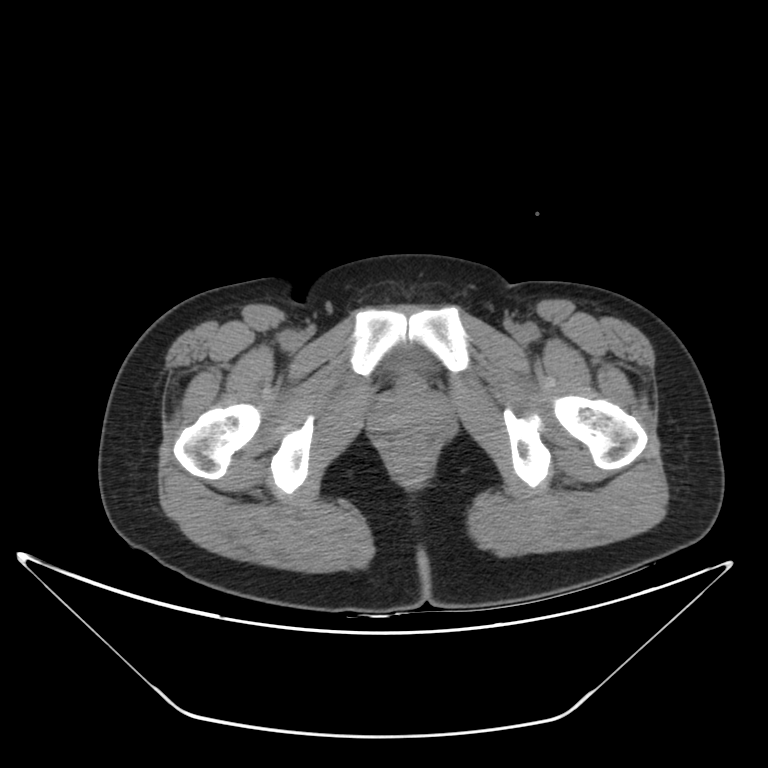
CT abdomen. axial plane, index 13. soft-tissue window. 39-year-old female patient
Boxes: x1:y1:x2:y2 in pixels.
Organ bounding boxes:
- bladder: 390:348:425:371